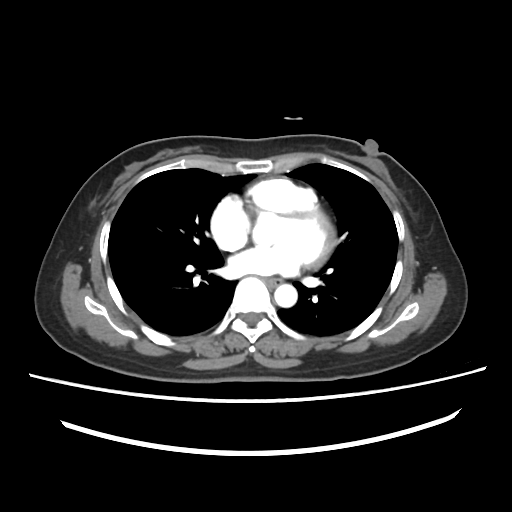

Chest-level slice from an abdominal CT that extends up into the chest. Axial slice 98/123. 512x512 px. Aquilion ONE scanner
At this level of the chest this dataset labels only the esophagus and the aorta, and each is boxed only where it is labeled; the heart and lungs are never labeled.
One row per box, in pixels: columns x1 and y1 give the top-left corner, x2 and y2 the bottom-right.
| organ | x1 | y1 | x2 | y2 |
|---|---|---|---|---|
| esophagus | 265 | 277 | 281 | 286 |
| aorta | 274 | 284 | 297 | 307 |